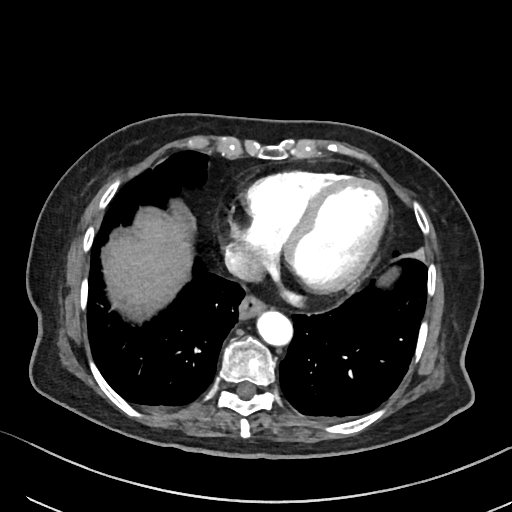
CT, abdomen/pelvis — Axial slice 211/297
One row per box, in pixels: columns x1 and y1 give the top-left corner, x2 and y2 the bottom-right.
| organ | x1 | y1 | x2 | y2 |
|---|---|---|---|---|
| liver | 108 | 219 | 192 | 308 |
| aorta | 257 | 311 | 292 | 346 |
| inferior vena cava | 225 | 242 | 262 | 280 |
| esophagus | 239 | 295 | 265 | 319 |